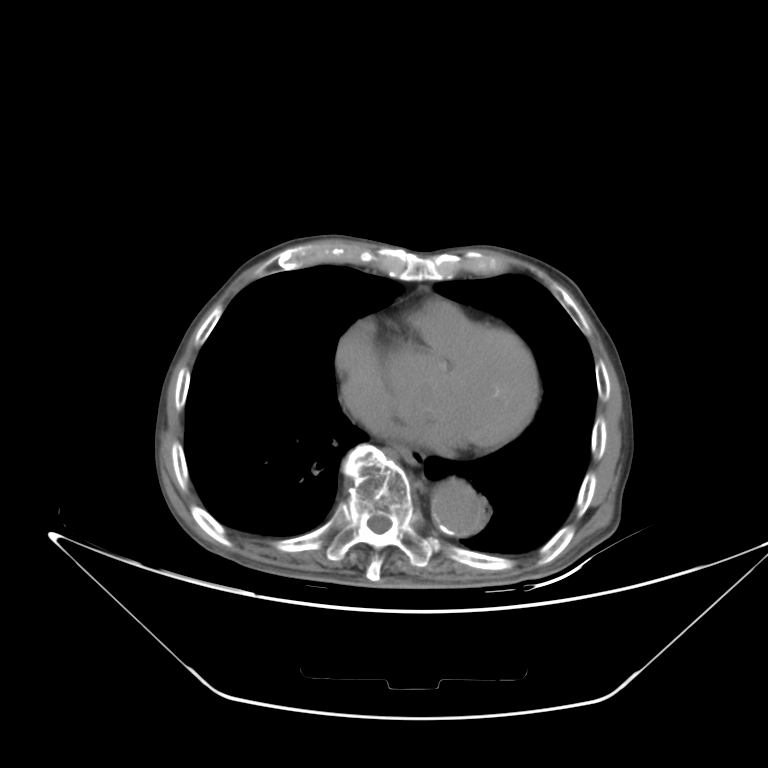
CT of the abdomen reaching into the lower chest, slice just above the liver and spleen — axial view — 768x768 px — male patient aged 90 or older — Brilliance16 scanner — 15 organs annotated in this scan (a whole-scan count: organs this slice does not pass through have no box)
No part of the heart or lungs is labeled in this dataset, so neither has a box here.
One row per box, in pixels: columns x1 and y1 give the top-left corner, x2 and y2 the bottom-right.
| organ | x1 | y1 | x2 | y2 |
|---|---|---|---|---|
| aorta | 432 | 482 | 481 | 533 |
| esophagus | 393 | 443 | 417 | 466 |